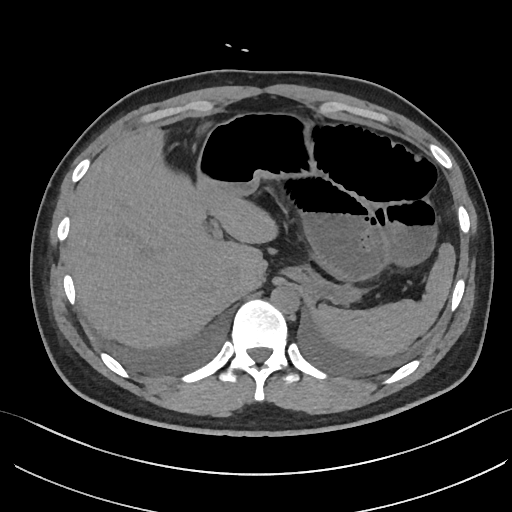

CT abdomen. axial view. 512x512 px. acquired on SOMATOM Force
Organ boxes in pixel coordinates; each row gives the top-left (x1, y1) and bottom-right (x2, y2) corners.
| organ | x1 | y1 | x2 | y2 |
|---|---|---|---|---|
| aorta | 270 | 286 | 298 | 312 |
| inferior vena cava | 225 | 269 | 242 | 293 |
| spleen | 315 | 242 | 455 | 357 |
| stomach | 195 | 113 | 351 | 304 |
| liver | 67 | 128 | 274 | 351 |